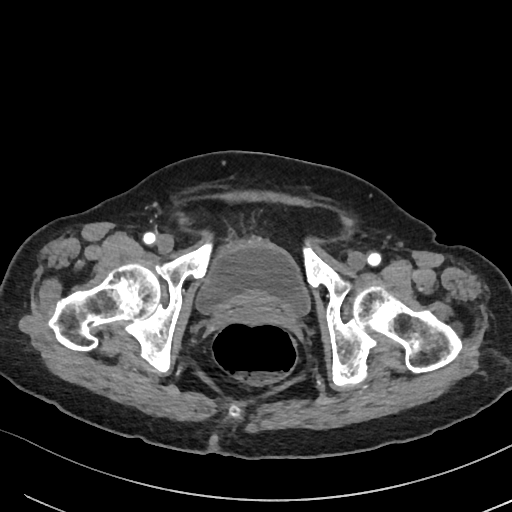 CT abdomen; Axial slice 34/297; soft-tissue window (W 400 / L 40); 512x512 px
Boxes: x1:y1:x2:y2 in pixels.
bladder: 196:239:310:315